Magnetic resonance imaging, abdomen · Axial slice 45/72 · 320x260 px
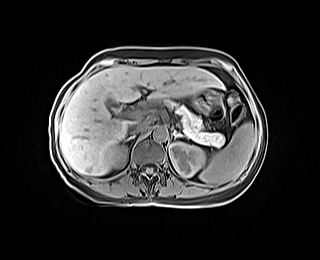 Boxes: x1:y1:x2:y2 in pixels.
Organ bounding boxes:
- spleen: 199:122:256:184
- right kidney: 113:145:127:168
- left kidney: 169:142:205:177
- gall bladder: 110:101:120:111
- liver: 60:65:223:175
- stomach: 191:89:220:112
- aorta: 153:126:167:140
- inferior vena cava: 130:123:147:133
- pancreas: 165:100:224:146
- right adrenal gland: 125:136:134:141
- left adrenal gland: 173:131:183:137